Abdominal CT reaching into the chest; this slice is in the chest; Axial slice 116/123; scan has 15 labeled organs (counted over the whole 3D scan, not this slice; an organ is boxed only where this slice passes through it)
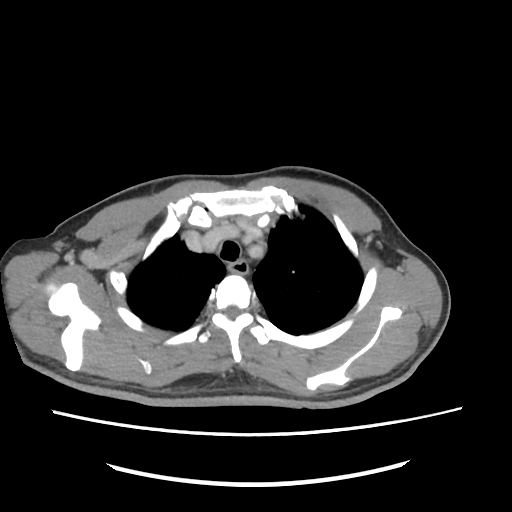
At this level of the chest this dataset labels only the esophagus and the aorta, and each is boxed only where it is labeled; the heart and lungs are never labeled.
Organ boxes in pixel coordinates; each row gives the top-left (x1, y1) and bottom-right (x2, y2) corners.
| organ | x1 | y1 | x2 | y2 |
|---|---|---|---|---|
| esophagus | 230 | 260 | 247 | 272 |